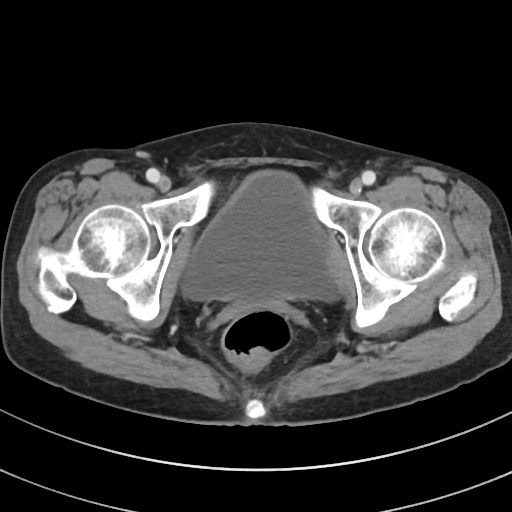

CT, abdomen/pelvis — axial plane, index 7 — soft-tissue window
Box edges are left/top/right/bottom in pixels. Labeled organs on this slice: bladder at left=181, top=171, right=338, bottom=301.